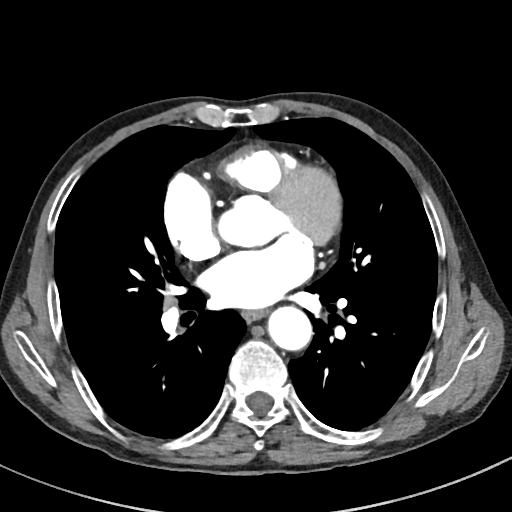

CT of the abdomen reaching into the lower chest, slice just above the liver and spleen. axial view. soft-tissue window, W/L 400/40
Of the structures in the chest, this dataset labels only the esophagus, the aorta and the inferior vena cava; the heart and lungs have no label.
<organs><organ name="esophagus" x1="243" y1="311" x2="267" y2="321"/><organ name="aorta" x1="268" y1="308" x2="313" y2="351"/></organs>